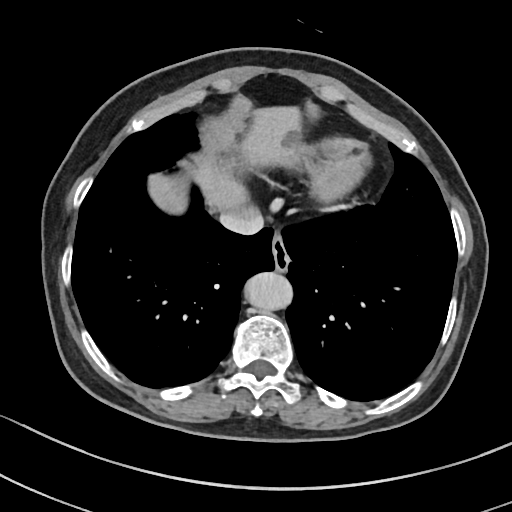 Computed tomography, abdomen; axial view
{"organs":{"aorta":[245,272,292,311],"esophagus":[271,235,290,271],"liver":[148,106,304,213],"inferior vena cava":[220,207,263,235]}}